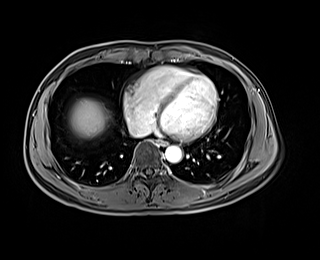
Magnetic resonance imaging, abdomen · axial view · 320x260 px · acquired on Prisma
<organs><organ name="aorta" x1="165" y1="145" x2="182" y2="162"/><organ name="inferior vena cava" x1="130" y1="125" x2="150" y2="137"/><organ name="liver" x1="69" y1="98" x2="110" y2="138"/><organ name="esophagus" x1="158" y1="140" x2="167" y2="146"/></organs>